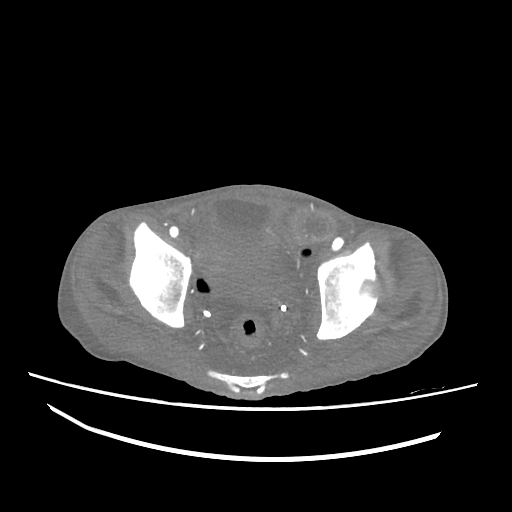
CT abdomen. axial view. 512x512 px
Boxes: x1 y1 x2 y2 (pixel coords, space-separated). The annotated organs in this slice are: bladder at 207 197 280 247.